CT, abdomen/pelvis. axial plane, index 74. 512x512 px. 15 organs annotated in this scan (counted over the whole 3D scan, not this slice; an organ is boxed only where this slice passes through it)
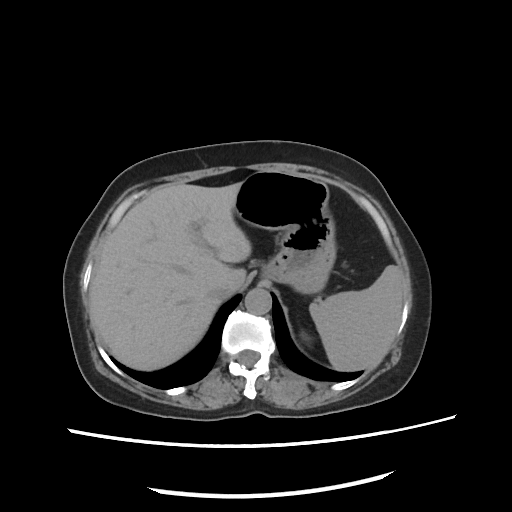 Boxes: x1 y1 x2 y2 (pixel coords, space-separated). The annotated organs in this slice are: aorta at 245 288 271 314, spleen at 308 265 401 371, liver at 89 183 252 370, stomach at 235 171 336 293, inferior vena cava at 205 288 236 300.